Abdominal CT — axial view — abdomen soft-tissue window — 768x768 px — Brilliance16 scanner — scan has 15 labeled organs (counted over the whole 3D scan, not this slice; an organ is boxed only where this slice passes through it)
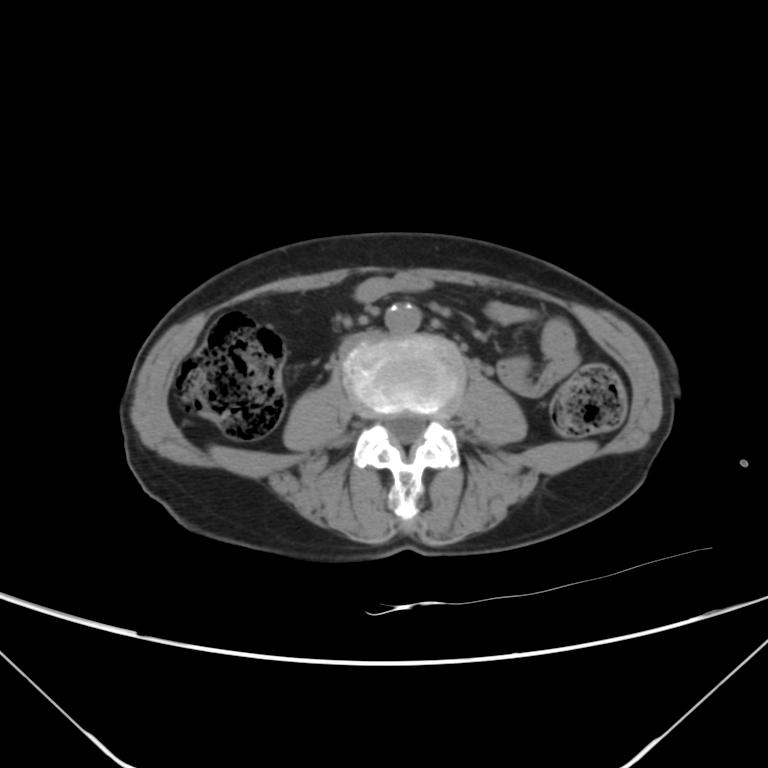

Organ boxes in pixel coordinates; each row gives the top-left (x1, y1) and bottom-right (x2, y2) corners.
| organ | x1 | y1 | x2 | y2 |
|---|---|---|---|---|
| inferior vena cava | 339 | 328 | 380 | 353 |
| aorta | 386 | 304 | 420 | 334 |